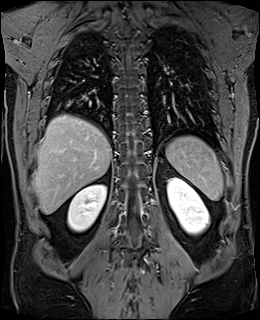 Abdominal MRI · coronal acquisition · 260x320 px · scan has 13 labeled organs (a whole-scan count: organs this slice does not pass through have no box)
One row per box, in pixels: columns x1 and y1 give the top-left corner, x2 and y2 the bottom-right.
| organ | x1 | y1 | x2 | y2 |
|---|---|---|---|---|
| spleen | 166 | 136 | 223 | 201 |
| left kidney | 167 | 178 | 209 | 234 |
| liver | 33 | 115 | 111 | 214 |
| right kidney | 68 | 184 | 106 | 232 |